Abdominal CT · axial plane, index 152 · abdomen soft-tissue window · 512x512 px · acquired on SOMATOM Force · scan has 15 labeled organs (counted over the whole 3D scan, not this slice; an organ is boxed only where this slice passes through it)
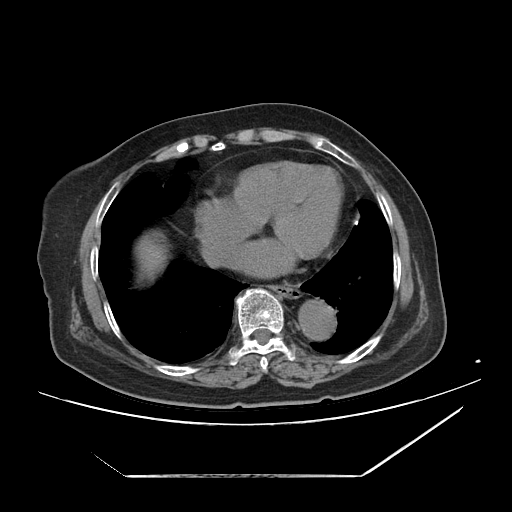 One row per box, in pixels: columns x1 and y1 give the top-left corner, x2 and y2 the bottom-right.
| organ | x1 | y1 | x2 | y2 |
|---|---|---|---|---|
| esophagus | 273 | 283 | 301 | 298 |
| liver | 135 | 234 | 166 | 277 |
| aorta | 298 | 300 | 336 | 340 |
| inferior vena cava | 202 | 239 | 232 | 267 |